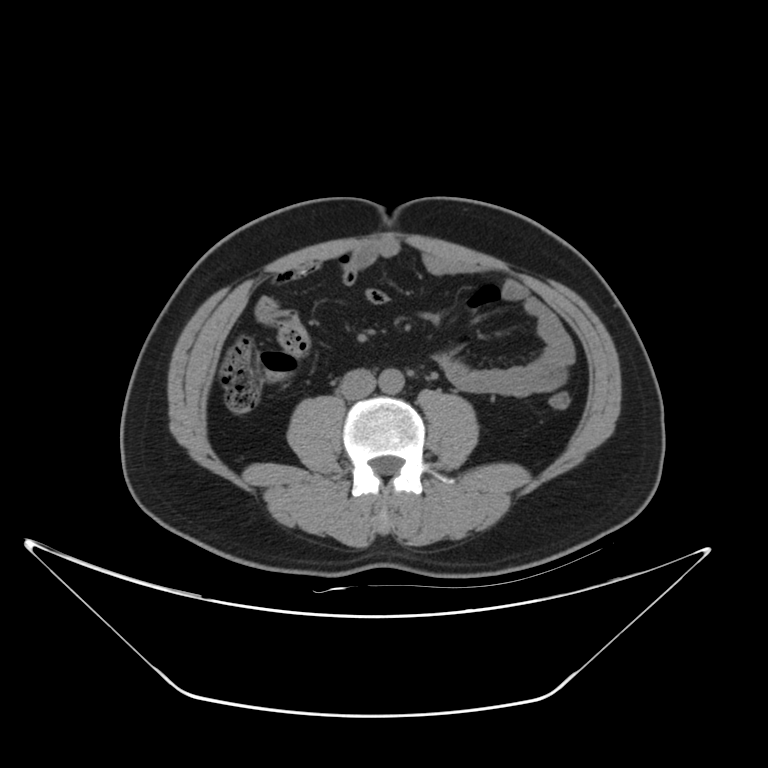 Computed tomography, abdomen — axial view — 768x768 px — scan has 15 labeled organs (a whole-scan count: organs this slice does not pass through have no box)
{"organs":{"inferior vena cava":[339,369,375,400],"aorta":[379,369,404,393]}}